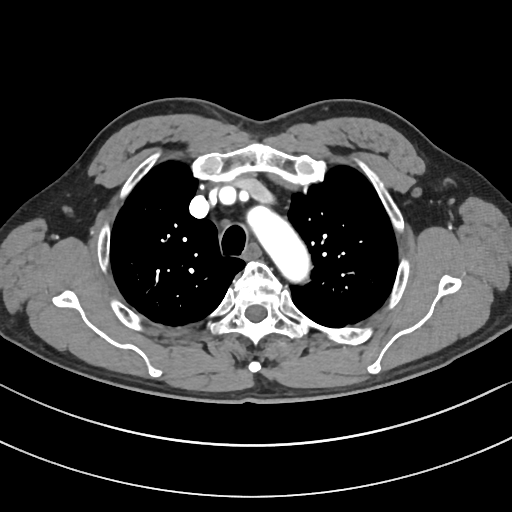

CT of the abdomen extending into the chest, slice through the chest — axial view — soft-tissue window, W/L 400/40 — scan has 15 labeled organs (counted over the whole 3D scan, not this slice; an organ is boxed only where this slice passes through it)
At this level of the chest this dataset labels only the esophagus and the aorta, and each is boxed only where it is labeled; the heart and lungs are never labeled.
Organ boxes in pixel coordinates; each row gives the top-left (x1, y1) and bottom-right (x2, y2) corners.
| organ | x1 | y1 | x2 | y2 |
|---|---|---|---|---|
| esophagus | 247 | 245 | 259 | 256 |
| aorta | 247 | 206 | 309 | 282 |